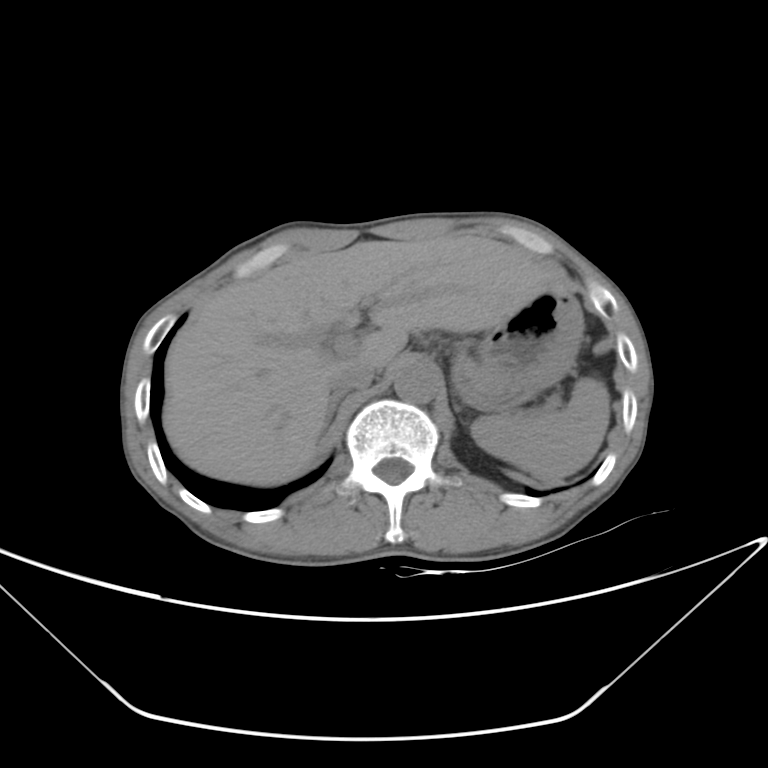

CT abdomen; axial plane, index 69; soft-tissue window; 768x768 px; acquired on Brilliance16
Each box given as x1,y1,x2,y2. 7 labeled organs on this slice — spleen at x1=471, y1=377, x2=610, y2=482; liver at x1=163, y1=234, x2=572, y2=485; stomach at x1=471, y1=292, x2=584, y2=401; aorta at x1=394, y1=363, x2=441, y2=404; inferior vena cava at x1=329, y1=360, x2=376, y2=393; right adrenal gland at x1=322, y1=392, x2=344, y2=431; left adrenal gland at x1=454, y1=403, x2=465, y2=424.